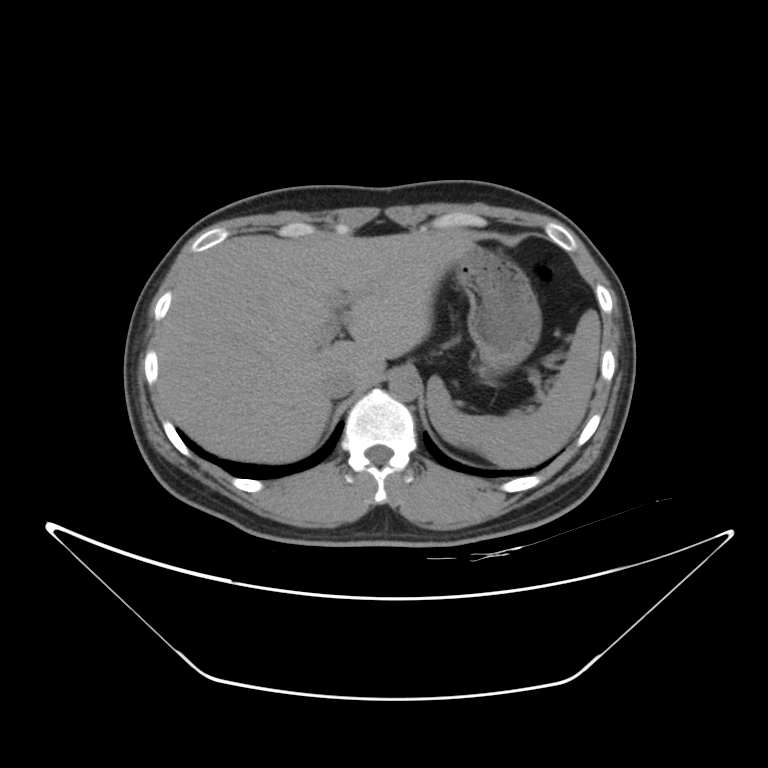
CT, abdomen/pelvis · axial view · soft-tissue window · 25-year-old male patient
Bounding boxes in pixels, one row per box: x1, y1 is the top-left corner and x2, y2 the bottom-right.
| organ | x1 | y1 | x2 | y2 |
|---|---|---|---|---|
| spleen | 427 | 310 | 600 | 468 |
| liver | 157 | 228 | 474 | 462 |
| stomach | 453 | 244 | 541 | 376 |
| aorta | 389 | 370 | 418 | 400 |
| inferior vena cava | 323 | 369 | 355 | 398 |